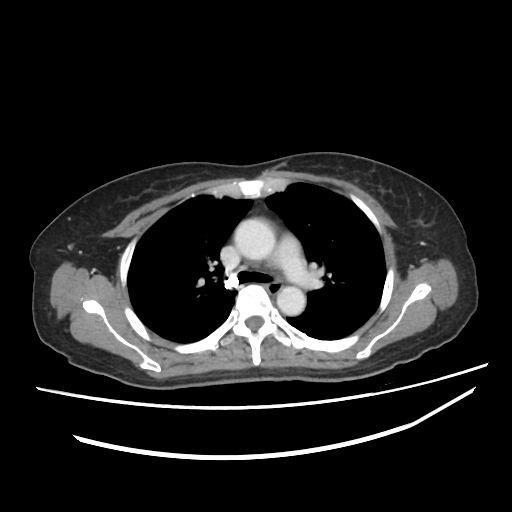
CT of the abdomen extending into the chest, slice through the chest; axial view; W/L 400/40 HU
At this level of the chest no structure but the esophagus and the aorta has a label in this dataset, and those two are boxed only where they are labeled.
<organs><organ name="esophagus" x1="267" y1="282" x2="282" y2="293"/><organ name="aorta" x1="234" y1="218" x2="275" y2="260"/><organ name="aorta" x1="276" y1="286" x2="305" y2="315"/></organs>